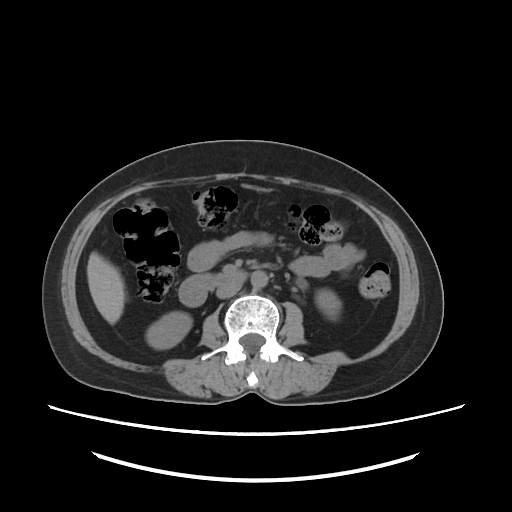
Abdominal CT. axial view. 512x512 px
Coordinates as <box>x1,y1,x2,y2</box> in pixels.
right kidney: <box>148,312,190,348</box>
left kidney: <box>316,288,340,317</box>
liver: <box>87,251,123,325</box>
aorta: <box>250,271,268,285</box>
inferior vena cava: <box>215,282,241,298</box>
duodenum: <box>179,270,248,305</box>